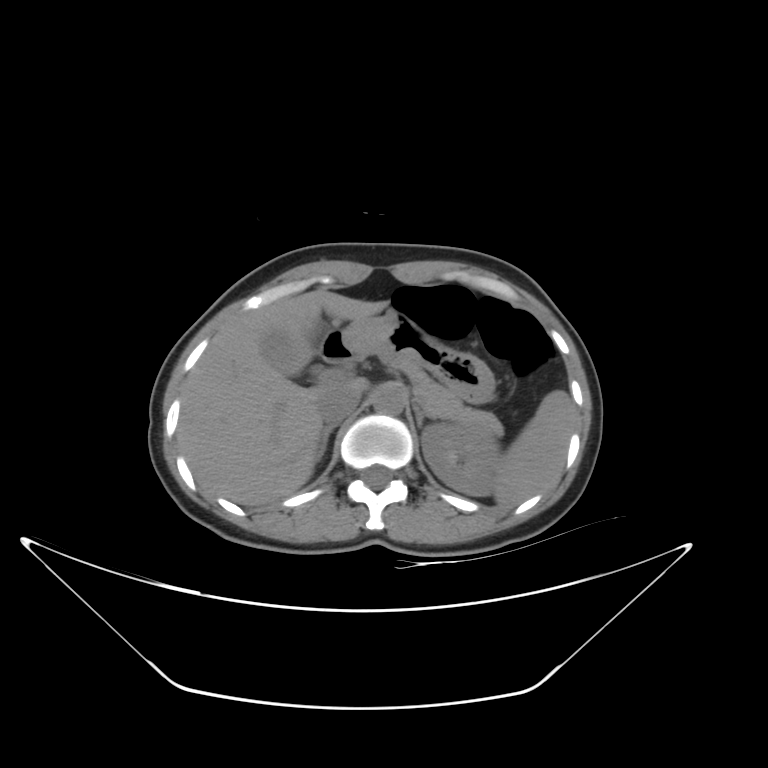
CT, abdomen/pelvis; axial view; soft-tissue window (W 400 / L 40); 768x768 px; 43-year-old female patient; scan has 15 labeled organs (that count is for the whole scan; organs this slice misses have no box)
Bounding boxes as [x1, y1, x2, y2] in pixel coordinates. Labeled organs on this slice: aorta at [373, 383, 406, 414], left adrenal gland at [414, 407, 436, 429], left kidney at [422, 423, 501, 495], liver at [178, 290, 386, 505], inferior vena cava at [317, 385, 360, 425], duodenum at [317, 330, 355, 363], gall bladder at [261, 329, 303, 375], right adrenal gland at [315, 424, 336, 461], stomach at [341, 308, 495, 403], spleen at [494, 390, 574, 506], pancreas at [397, 359, 503, 435].